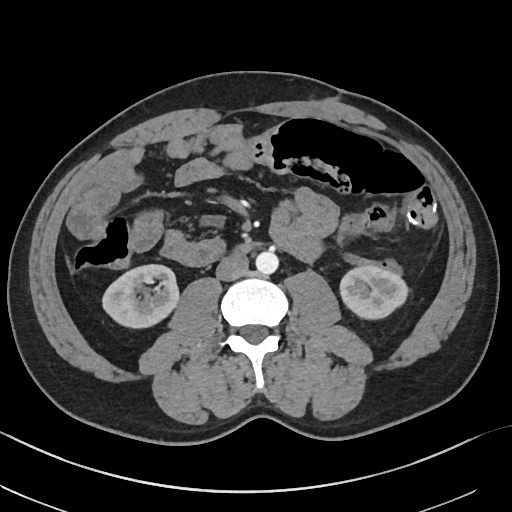

CT, abdomen/pelvis; axial view; soft-tissue window; 15 organs annotated in this scan (that count is for the whole scan; organs this slice misses have no box)
{"organs":{"right kidney":[102,264,178,328],"left kidney":[340,265,408,319],"aorta":[255,251,278,274],"inferior vena cava":[215,253,248,280],"duodenum":[235,244,252,253]}}